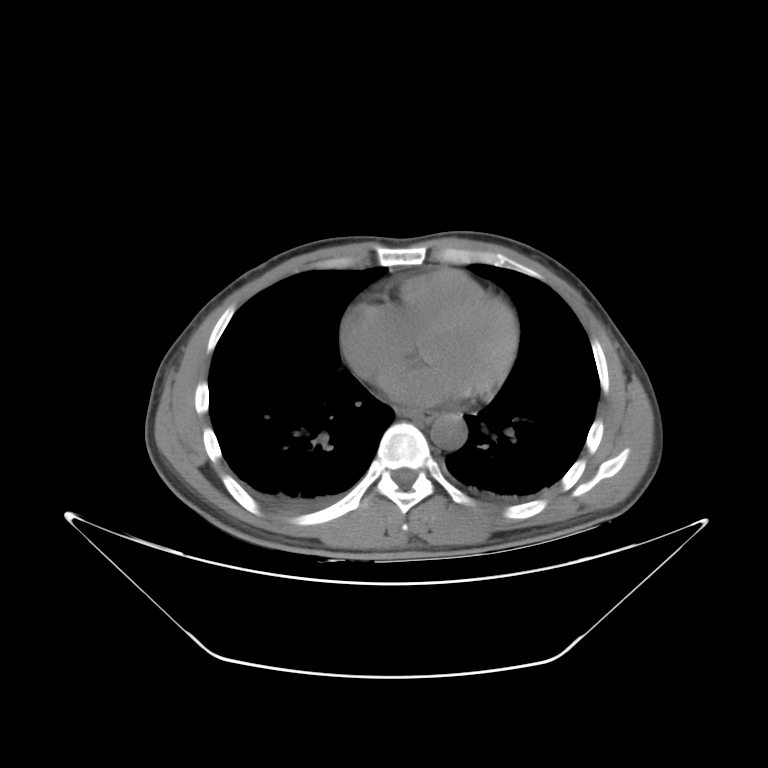

CT of the abdomen reaching into the lower chest, slice just above the liver and spleen. axial view. 15 organs annotated in this scan (that count is for the whole scan; organs this slice misses have no box)
Of the structures in the chest, this dataset labels only the esophagus, the aorta and the inferior vena cava; the heart and lungs have no label. Bounding boxes as [x1, y1, x2, y2] in pixel coordinates. Labeled organs on this slice: aorta at [430, 414, 466, 449], esophagus at [396, 408, 436, 423].